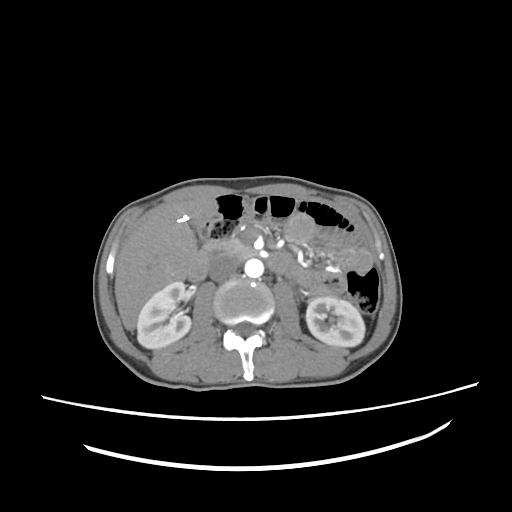
Computed tomography, abdomen · axial view · abdomen soft-tissue window · Aquilion ONE scanner · 14 organs annotated in this scan (a whole-scan count: organs this slice does not pass through have no box)
Boxes: x1:y1:x2:y2 in pixels.
right kidney: 136:281:191:348
left kidney: 306:297:365:346
liver: 115:198:217:330
aorta: 244:259:263:277
inferior vena cava: 209:256:238:281
pancreas: 201:239:254:258
duodenum: 189:251:290:281